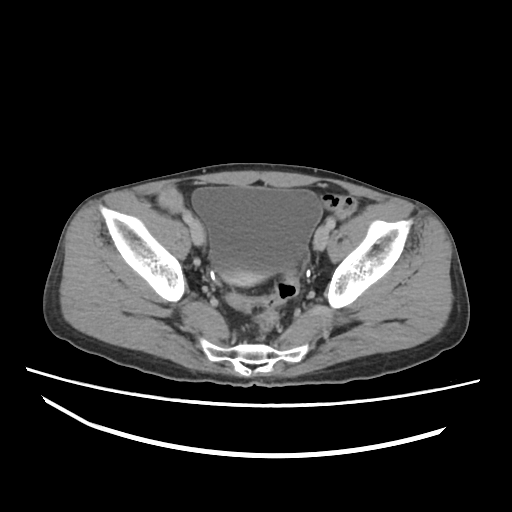

CT, abdomen/pelvis — axial plane, index 31 — soft-tissue window (W 400 / L 40) — 40-year-old male patient — scan has 15 labeled organs (that count is for the whole scan; organs this slice misses have no box)
Organ boxes in pixel coordinates; each row gives the top-left (x1, y1) and bottom-right (x2, y2) corners.
| organ | x1 | y1 | x2 | y2 |
|---|---|---|---|---|
| bladder | 190 | 186 | 321 | 286 |